Abdominal CT; axial view; soft-tissue window; 512x512 px; SOMATOM Force scanner
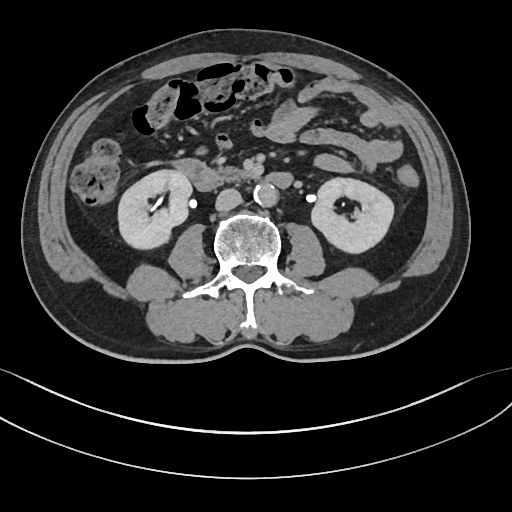 Boxes: x1 y1 x2 y2 (pixel coords, space-separated).
Organ bounding boxes:
- pancreas: 219 167 253 179
- aorta: 253 183 276 206
- right kidney: 118 169 191 248
- inferior vena cava: 215 188 241 210
- duodenum: 177 160 291 191
- left kidney: 311 177 393 251